CT abdomen; axial view; soft-tissue window (W 400 / L 40); 64-year-old male patient; acquired on Brilliance16; 15 organs annotated in this scan (that count is for the whole scan; organs this slice misses have no box)
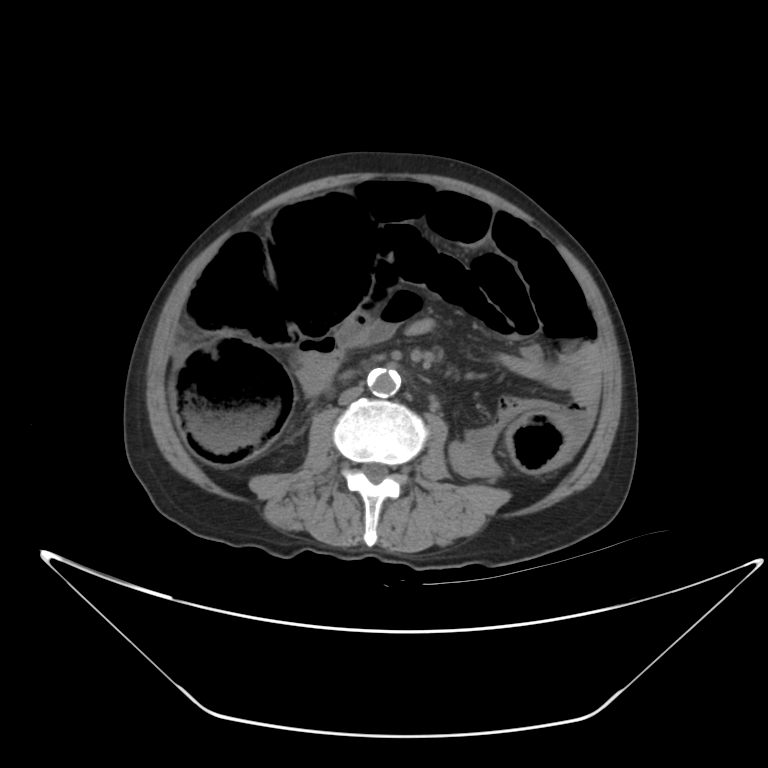 Bounding boxes as [x1, y1, x2, y2] in pixel coordinates.
aorta: [367, 368, 400, 397]
inferior vena cava: [338, 386, 363, 405]